CT, abdomen/pelvis; axial view; abdomen soft-tissue window
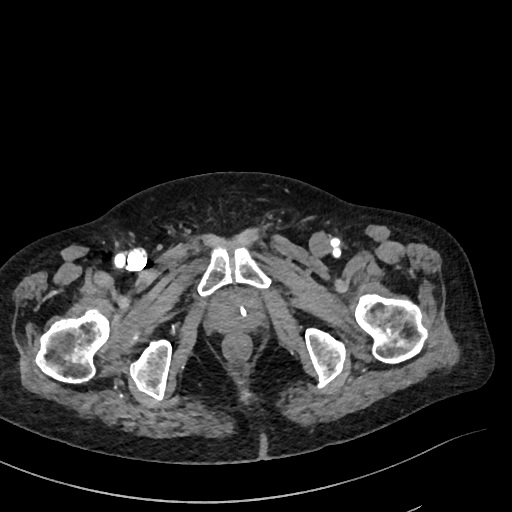 Boxes are (x1, y1, x2, y2) in pixels. The annotated organs in this slice are: prostate/uterus at (209, 295, 261, 331).